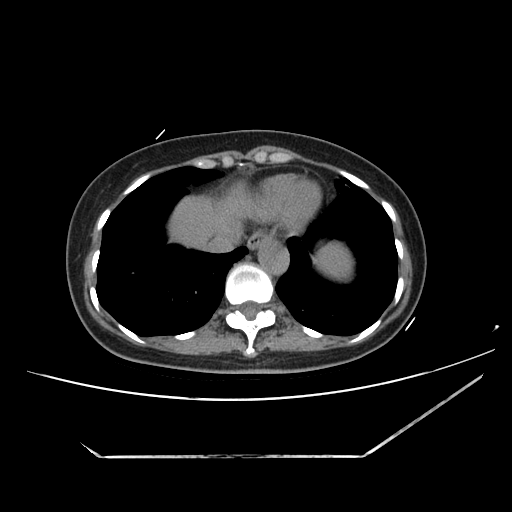 Computed tomography, abdomen. Axial slice 132/143. scan has 14 labeled organs (that count is for the whole scan; organs this slice misses have no box)
Box edges are left/top/right/bottom in pixels. 5 labeled organs on this slice — spleen at left=317, top=243, right=349, bottom=276; esophagus at left=247, top=235, right=267, bottom=252; liver at left=170, top=185, right=257, bottom=246; aorta at left=259, top=239, right=289, bottom=276; inferior vena cava at left=205, top=231, right=242, bottom=253.